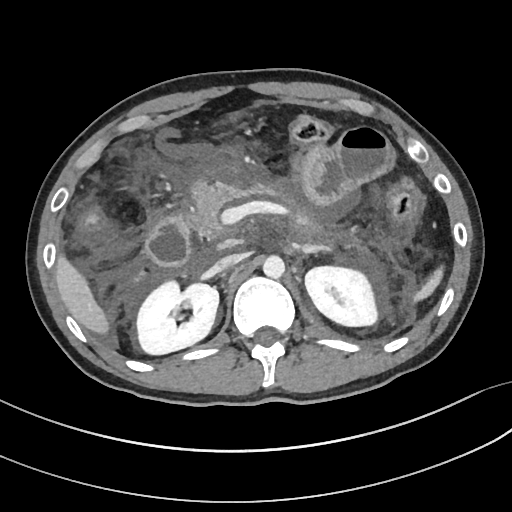
CT abdomen; axial plane, index 163
Coordinates as <box>x1,y1,x2,y2</box> in pixels.
Organ bounding boxes:
- spleen: <box>410,267,445,302</box>
- right kidney: <box>137,279,219,354</box>
- left kidney: <box>305,265,377,326</box>
- liver: <box>55,256,109,334</box>
- aorta: <box>263,256,285,278</box>
- inferior vena cava: <box>210,254,243,273</box>
- pancreas: <box>190,184,274,235</box>
- left adrenal gland: <box>301,244,328,256</box>
- duodenum: <box>147,213,189,264</box>